CT, abdomen/pelvis. axial view. acquired on SOMATOM Force. 15 organs annotated in this scan (counted over the whole 3D scan, not this slice; an organ is boxed only where this slice passes through it)
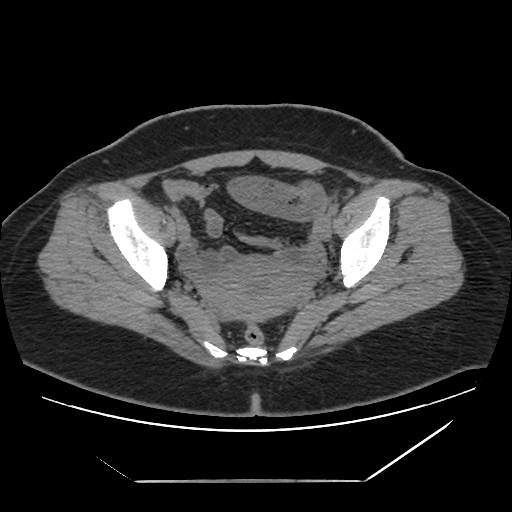

<organs><organ name="prostate/uterus" x1="202" y1="257" x2="305" y2="321"/></organs>